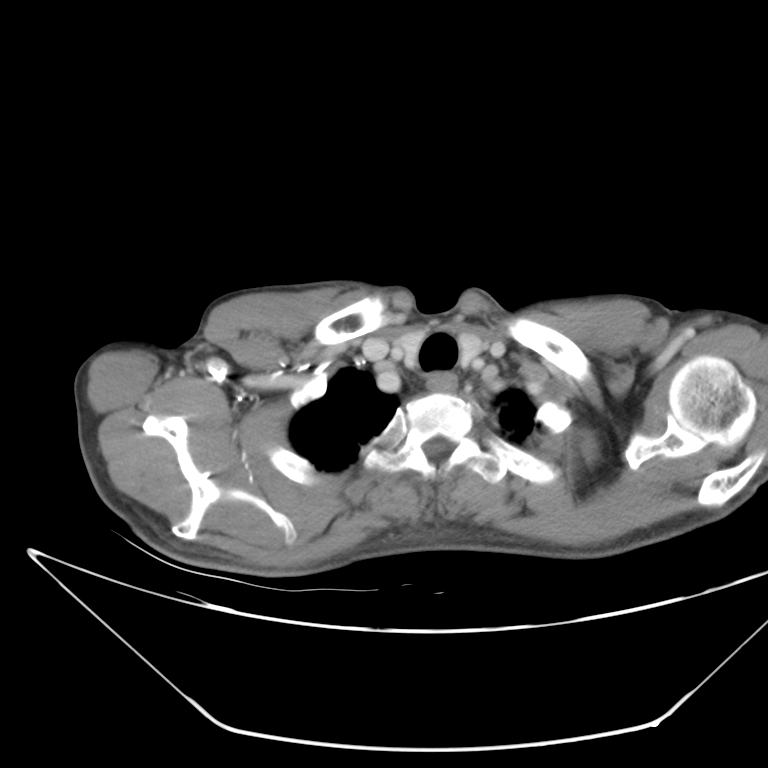
Chest-level CT slice, above the liver and spleen · Axial slice 99/104 · soft-tissue window (W 400 / L 40) · 62-year-old male patient
At this level of the chest this dataset labels only the esophagus and the aorta, and each is boxed only where it is labeled; the heart and lungs are never labeled.
{"organs":{"esophagus":[427,372,457,391]}}